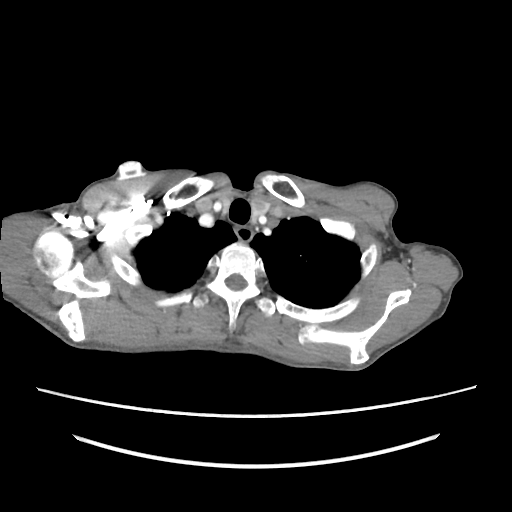

CT of the abdomen extending into the chest, slice through the chest; Axial slice 120/126; soft-tissue window (W 400 / L 40); 512x512 px; 62-year-old male patient; Aquilion ONE scanner
At this level of the chest no structure but the esophagus and the aorta has a label in this dataset, and those two are boxed only where they are labeled.
Boxes are (x1, y1, x2, y2) in pixels.
Organ bounding boxes:
- esophagus: (235, 226, 252, 242)